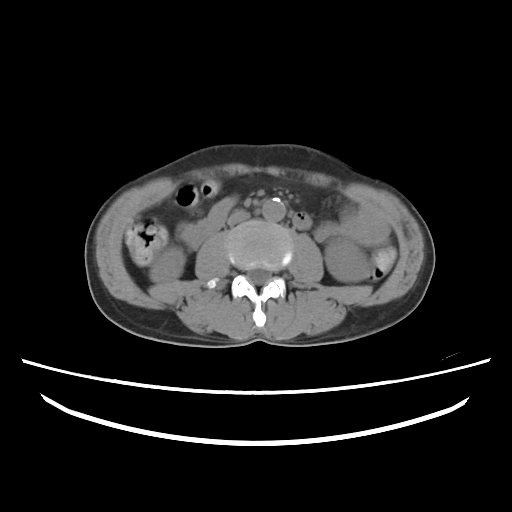

CT abdomen — axial view — W/L 400/40 HU — acquired on Aquilion ONE
<organs><organ name="right kidney" x1="149" y1="247" x2="183" y2="283"/><organ name="left kidney" x1="324" y1="238" x2="368" y2="282"/><organ name="aorta" x1="262" y1="198" x2="285" y2="222"/><organ name="inferior vena cava" x1="227" y1="210" x2="249" y2="226"/></organs>